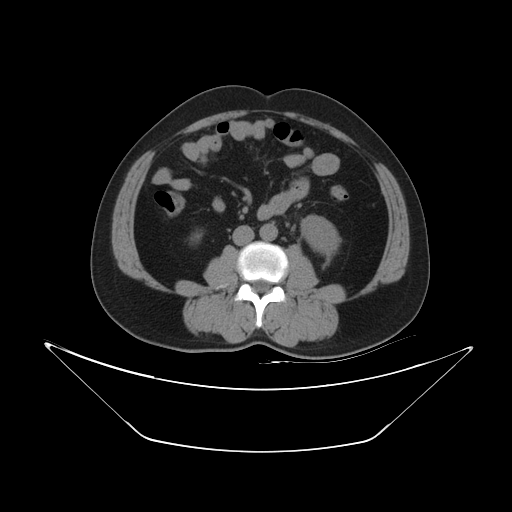 CT abdomen · axial view · abdomen soft-tissue window · 512x512 px · 41-year-old male patient
Boxes: x1:y1:x2:y2 in pixels. 4 labeled organs on this slice — left kidney at 301:215:340:255; aorta at 260:223:277:240; inferior vena cava at 232:225:254:245; right kidney at 190:230:202:244.